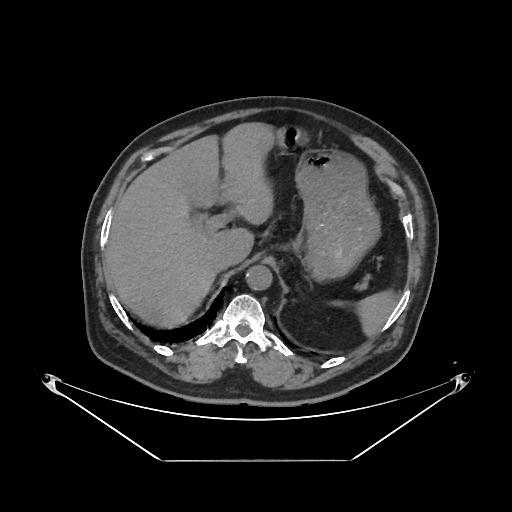 Abdominal CT. axial view. acquired on SOMATOM Force
Boxes: x1:y1:x2:y2 in pixels.
Organ bounding boxes:
- spleen: 360:292:396:335
- liver: 106:123:273:328
- stomach: 272:121:379:280
- aorta: 245:265:271:290
- inferior vena cava: 210:250:235:271